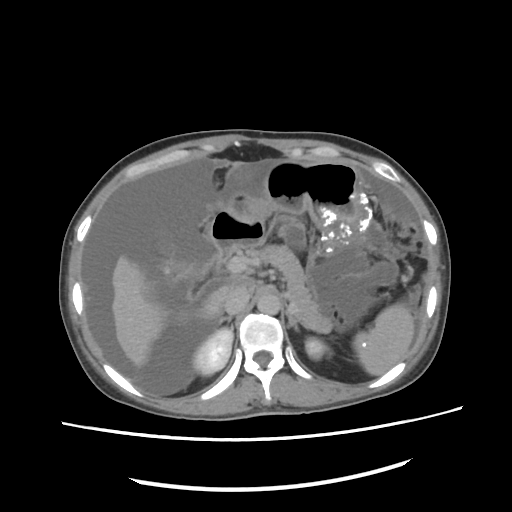

CT abdomen; axial view; 15 organs annotated in this scan (counted over the whole 3D scan, not this slice; an organ is boxed only where this slice passes through it)
Box edges are left/top/right/bottom in pixels.
spleen: left=354, top=304, right=415, bottom=375
right kidney: left=194, top=328, right=233, bottom=374
left kidney: left=305, top=336, right=330, bottom=358
liver: left=111, top=255, right=256, bottom=366
stomach: left=224, top=160, right=369, bottom=249
aorta: left=257, top=294, right=279, bottom=318
inferior vena cava: left=224, top=290, right=250, bottom=314
pancreas: left=259, top=244, right=332, bottom=332
right adrenal gland: left=218, top=315, right=231, bottom=326
left adrenal gland: left=287, top=311, right=298, bottom=329
duodenum: left=206, top=208, right=265, bottom=263